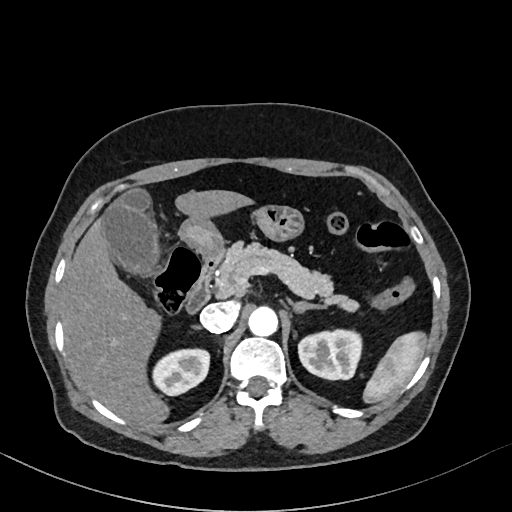 CT, abdomen/pelvis — axial view — soft-tissue window
Organ boxes in pixel coordinates; each row gives the top-left (x1, y1) and bottom-right (x2, y2) corners.
| organ | x1 | y1 | x2 | y2 |
|---|---|---|---|---|
| left adrenal gland | 293 | 301 | 318 | 312 |
| gall bladder | 101 | 190 | 157 | 273 |
| left kidney | 298 | 329 | 361 | 379 |
| liver | 62 | 190 | 253 | 425 |
| right adrenal gland | 195 | 326 | 199 | 329 |
| inferior vena cava | 200 | 302 | 238 | 332 |
| stomach | 179 | 205 | 304 | 255 |
| right kidney | 152 | 348 | 209 | 395 |
| spleen | 363 | 331 | 426 | 402 |
| aorta | 248 | 306 | 277 | 336 |
| duodenum | 185 | 254 | 222 | 313 |
| pancreas | 216 | 241 | 358 | 311 |